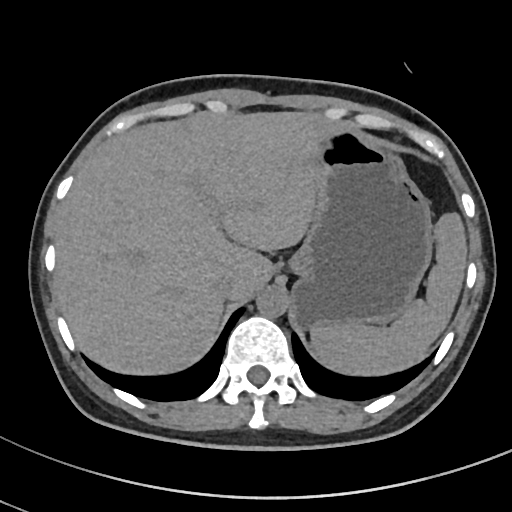

CT, abdomen/pelvis · axial view
{"organs":{"spleen":[311,213,467,375],"liver":[54,111,335,374],"stomach":[289,129,433,327],"aorta":[256,286,288,317],"inferior vena cava":[215,273,238,296]}}